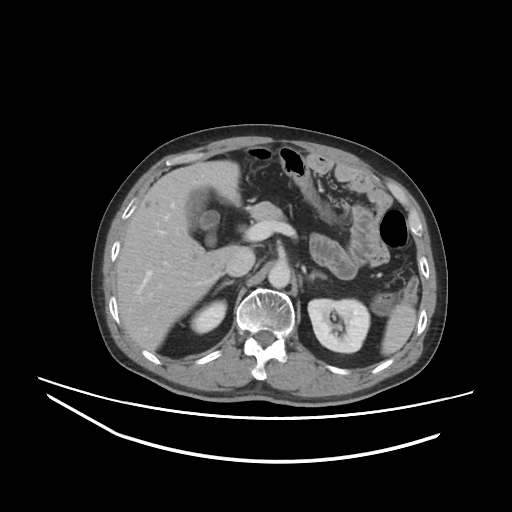

Computed tomography, abdomen. axial view. 512x512 px. scan has 15 labeled organs (a whole-scan count: organs this slice does not pass through have no box)
Each box given as x1,y1,x2,y2. Labeled organs on this slice: spleen at x1=381, y1=302, x2=416, y2=355, left kidney at x1=308, y1=299, x2=369, y2=352, aorta at x1=268, y1=263, x2=290, y2=288, gall bladder at x1=187, y1=188, x2=219, y2=245, pancreas at x1=250, y1=202, x2=284, y2=221, right adrenal gland at x1=216, y1=280, x2=234, y2=291, right kidney at x1=190, y1=300, x2=226, y2=333, left adrenal gland at x1=308, y1=272, x2=325, y2=279, liver at x1=116, y1=160, x2=240, y2=351, inferior vena cava at x1=225, y1=247, x2=255, y2=276.